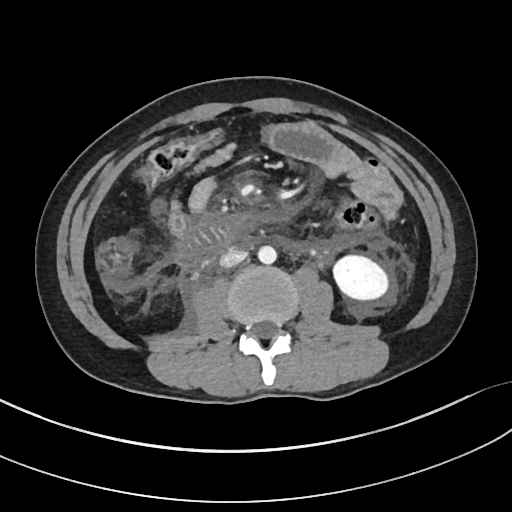
Abdominal CT · axial view · W/L 400/40 HU · acquired on SOMATOM Force
<organs><organ name="left kidney" x1="333" y1="255" x2="388" y2="299"/><organ name="aorta" x1="257" y1="246" x2="276" y2="264"/><organ name="inferior vena cava" x1="220" y1="249" x2="247" y2="267"/><organ name="duodenum" x1="178" y1="221" x2="236" y2="255"/></organs>